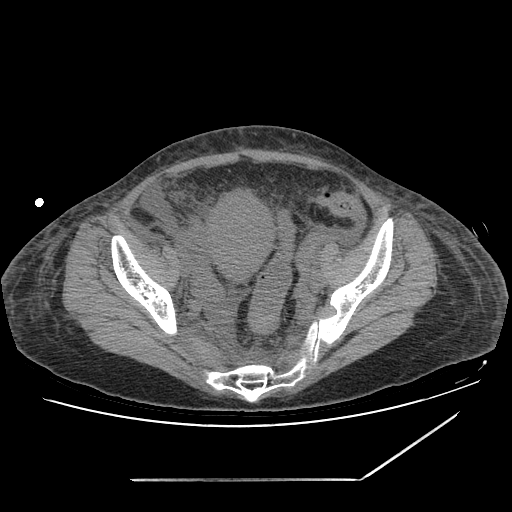
CT abdomen — axial plane, index 40 — soft-tissue window — 512x512 px
<organs><organ name="prostate/uterus" x1="206" y1="190" x2="275" y2="280"/></organs>